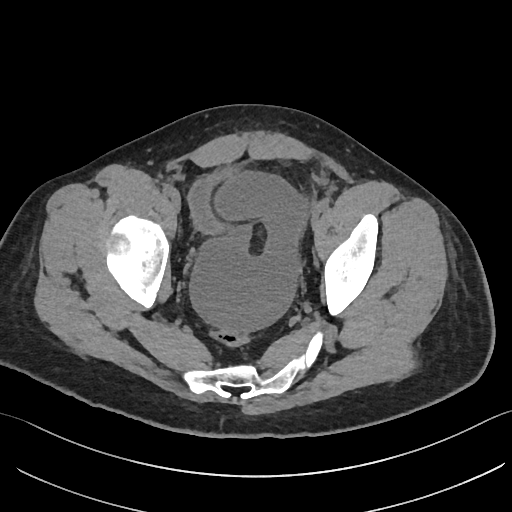
CT, abdomen/pelvis · axial view · abdomen soft-tissue window · 512x512 px
Boxes: x1:y1:x2:y2 in pixels. 1 labeled organ on this slice — bladder at 189:168:239:234.